CT, abdomen/pelvis; axial view; abdomen soft-tissue window
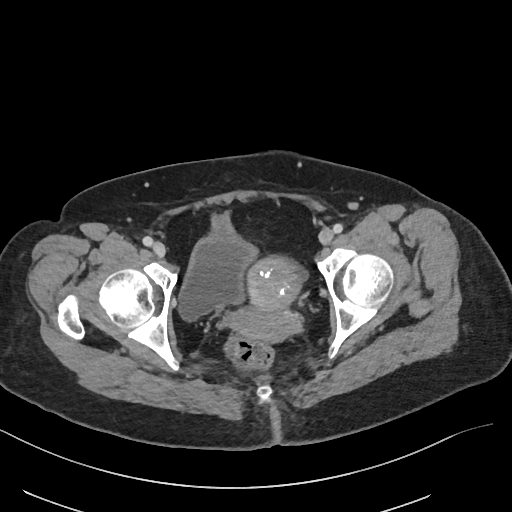
Boxes are (x1, y1, x2, y2) in pixels. Labeled organs on this slice: prostate/uterus at (230, 256, 303, 343), bladder at (178, 213, 257, 320).